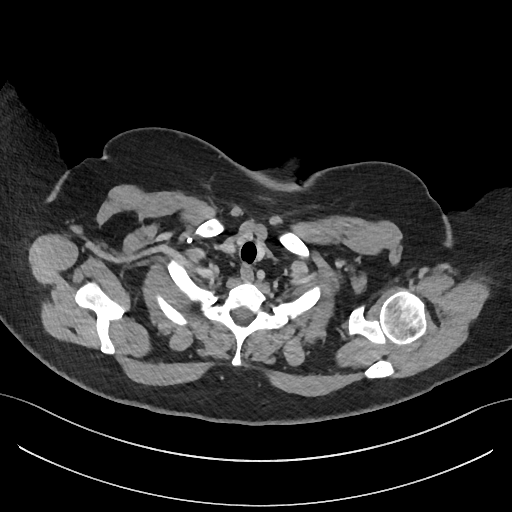 Chest-level slice from an abdominal CT that extends up into the chest · axial view · soft-tissue window (W 400 / L 40)
At this level of the chest no structure but the esophagus and the aorta has a label in this dataset, and those two are boxed only where they are labeled.
<organs><organ name="esophagus" x1="240" y1="264" x2="252" y2="282"/></organs>